Abdominal CT; axial view; acquired on Aquilion ONE; scan has 15 labeled organs (that count is for the whole scan; organs this slice misses have no box)
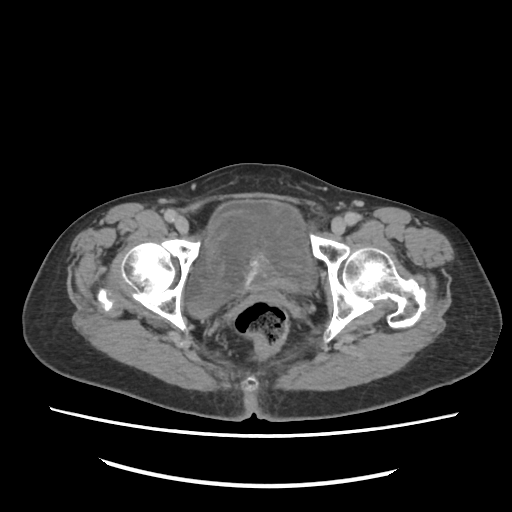
Each box given as x1,y1,x2,y2. Labeled organs on this slice: bladder at x1=186, y1=201, x2=314, y2=317.